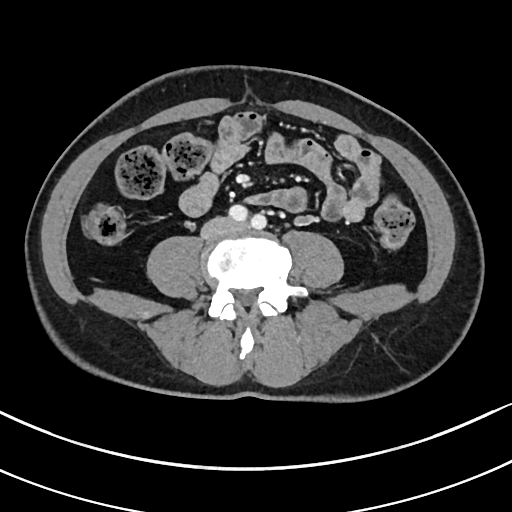
CT, abdomen/pelvis · axial plane, index 98 · soft-tissue window · SOMATOM Force scanner
Boxes: x1:y1:x2:y2 in pixels.
inferior vena cava: 201:217:233:238